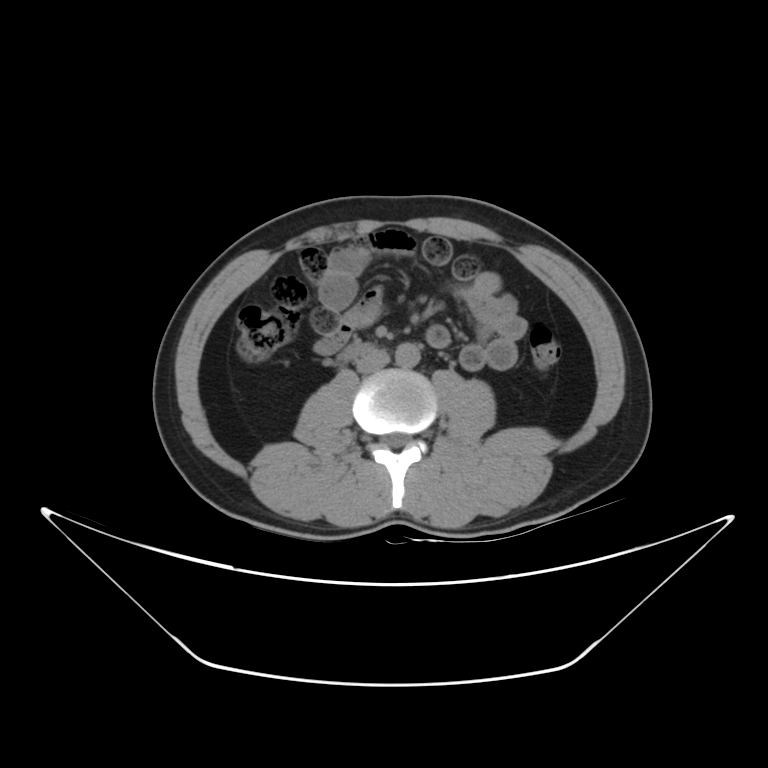
CT abdomen; axial view; soft-tissue window (W 400 / L 40); 768x768 px; 37-year-old male patient
Box edges are left/top/right/bottom in pixels. The annotated organs in this slice are: inferior vena cava at left=356, top=350, right=389, bottom=373, duodenum at left=339, top=342, right=373, bottom=362, aorta at left=395, top=343, right=420, bottom=367.